Computed tomography, abdomen · axial view · 512x512 px
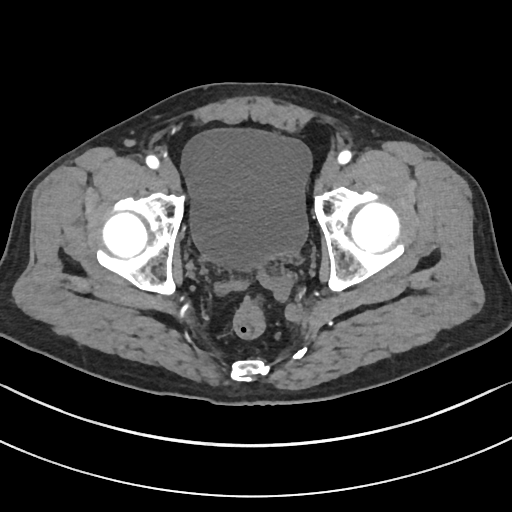

Boxes: x1 y1 x2 y2 (pixel coords, space-separated). The annotated organs in this slice are: bladder at 181 128 312 271.